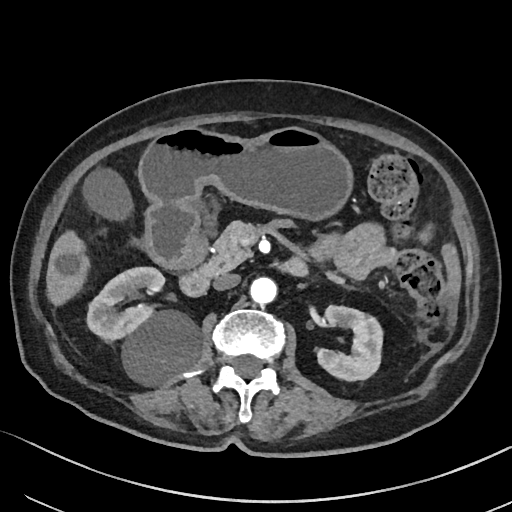 Computed tomography, abdomen. axial view. W/L 400/40 HU. 512x512 px. scan has 15 labeled organs (counted over the whole 3D scan, not this slice; an organ is boxed only where this slice passes through it)
{"organs":{"inferior vena cava":[213,273,240,290],"aorta":[250,277,277,304],"pancreas":[200,221,344,283],"right kidney":[87,267,200,383],"duodenum":[155,234,305,296],"liver":[46,230,90,306],"gall bladder":[83,169,133,220],"stomach":[138,126,352,268],"left kidney":[317,305,382,380]}}